Computed tomography, abdomen — axial view
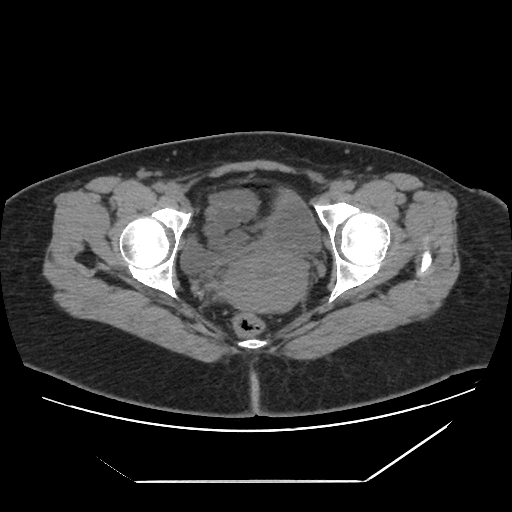

Organ boxes in pixel coordinates; each row gives the top-left (x1, y1) and bottom-right (x2, y2) corners.
| organ | x1 | y1 | x2 | y2 |
|---|---|---|---|---|
| prostate/uterus | 221 | 250 | 304 | 312 |
| bladder | 180 | 190 | 320 | 274 |